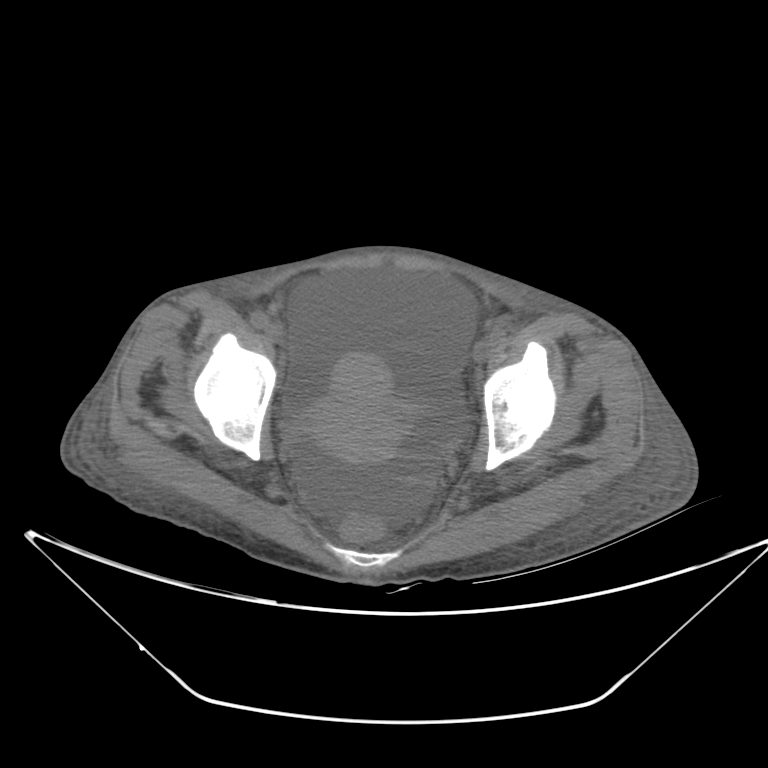
Abdominal CT — axial view — soft-tissue window — 56-year-old female patient — Brilliance16 scanner
Boxes: x1 y1 x2 y2 (pixel coords, space-separated).
Organ bounding boxes:
- prostate/uterus: 303 354 400 462